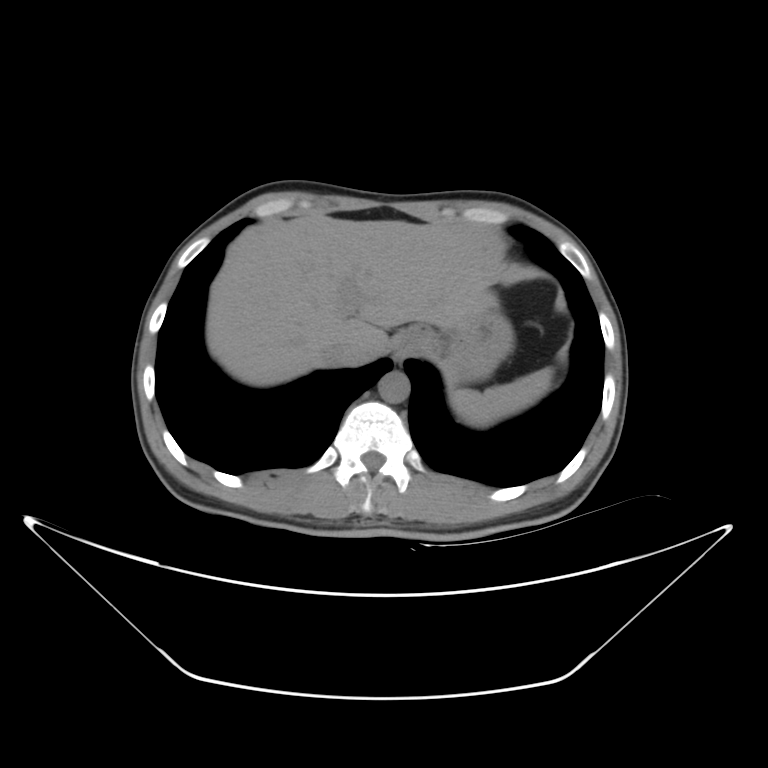

Computed tomography, abdomen; axial view
Bounding boxes in pixels, one row per box: x1, y1 is the top-left corner and x2, y2 the bottom-right.
| organ | x1 | y1 | x2 | y2 |
|---|---|---|---|---|
| esophagus | 389 | 325 | 439 | 350 |
| spleen | 450 | 369 | 551 | 426 |
| aorta | 376 | 369 | 409 | 403 |
| liver | 208 | 215 | 508 | 385 |
| inferior vena cava | 318 | 338 | 355 | 363 |
| stomach | 435 | 313 | 509 | 383 |